Computed tomography, abdomen; axial view; 15 organs annotated in this scan (that count is for the whole scan; organs this slice misses have no box)
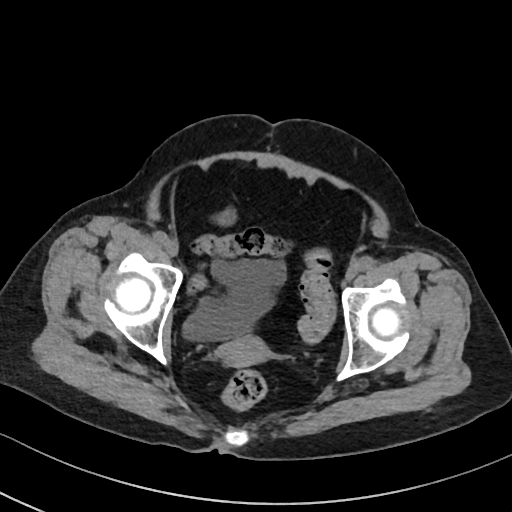

Boxes: x1 y1 x2 y2 (pixel coords, space-separated). 2 labeled organs on this slice — bladder at 182 259 286 340; prostate/uterus at 214 337 267 365.